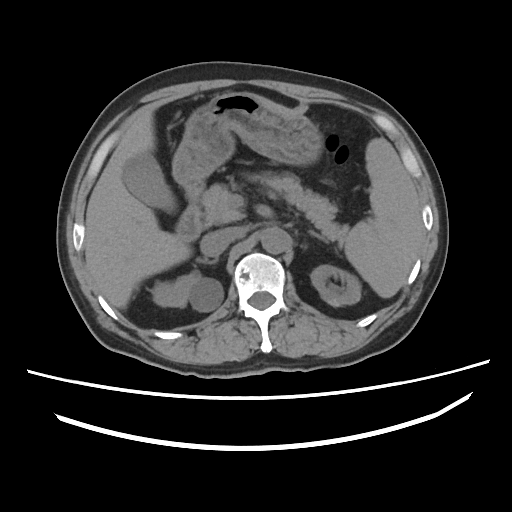 Computed tomography, abdomen · axial plane, index 74 · W/L 400/40 HU · 512x512 px · 48-year-old male patient · acquired on Aquilion ONE
<organs><organ name="gall bladder" x1="122" y1="152" x2="176" y2="212"/><organ name="duodenum" x1="175" y1="182" x2="204" y2="241"/><organ name="right kidney" x1="151" y1="273" x2="223" y2="311"/><organ name="pancreas" x1="201" y1="178" x2="347" y2="242"/><organ name="left adrenal gland" x1="309" y1="230" x2="324" y2="241"/><organ name="liver" x1="84" y1="97" x2="290" y2="308"/><organ name="left kidney" x1="310" y1="265" x2="361" y2="306"/><organ name="inferior vena cava" x1="200" y1="230" x2="233" y2="256"/><organ name="right adrenal gland" x1="196" y1="258" x2="217" y2="263"/><organ name="stomach" x1="172" y1="92" x2="322" y2="189"/><organ name="spleen" x1="344" y1="138" x2="424" y2="298"/><organ name="aorta" x1="261" y1="227" x2="290" y2="253"/></organs>